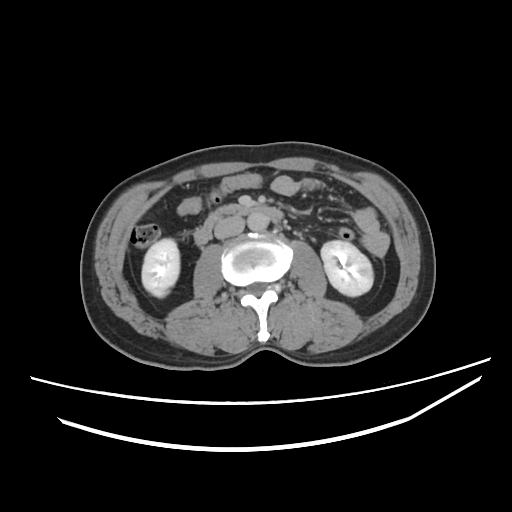 Abdominal CT — axial view — soft-tissue window
Boxes are (x1, y1, x2, y2) in pixels. The annotated organs in this slice are: right kidney at (141, 239, 178, 297), left kidney at (321, 239, 373, 295), aorta at (247, 212, 270, 230), inferior vena cava at (214, 216, 245, 238), duodenum at (194, 203, 283, 243).